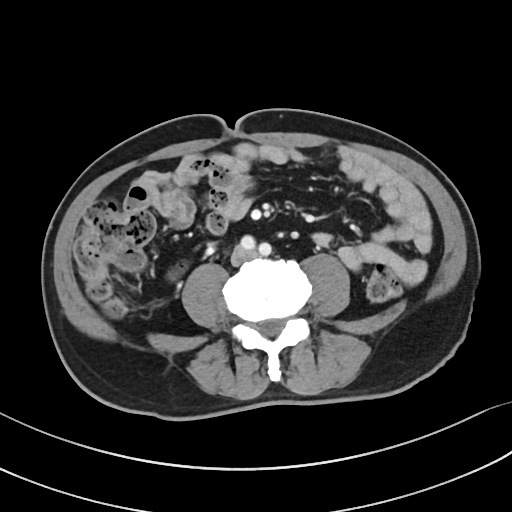 Abdominal CT · axial view · soft-tissue window · SOMATOM Force scanner
<organs><organ name="inferior vena cava" x1="232" y1="246" x2="254" y2="264"/></organs>